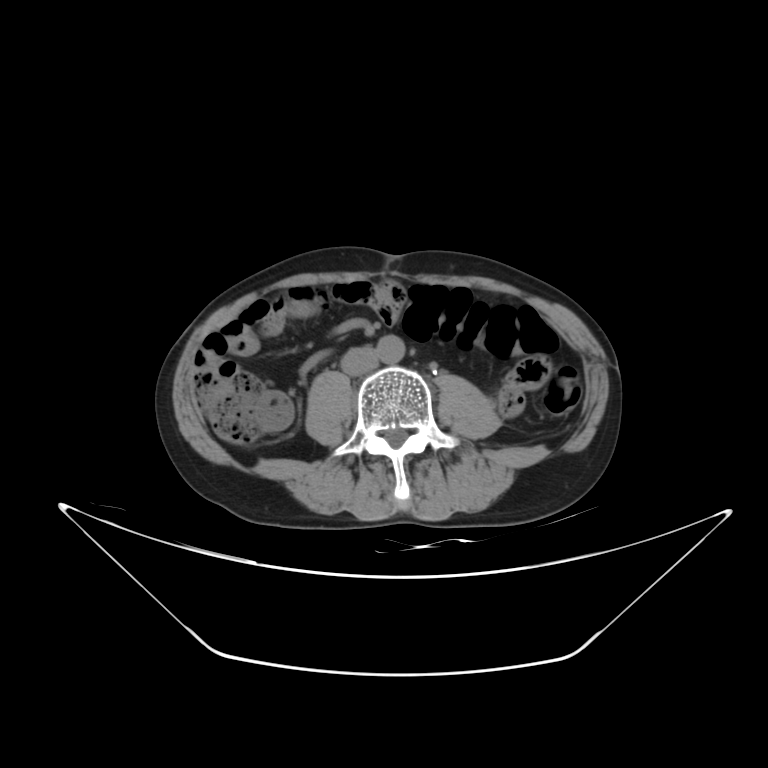

Abdominal CT — axial view — abdomen soft-tissue window
Box edges are left/top/right/bottom in pixels.
left kidney: left=283, top=557, right=286, bottom=557
aorta: left=376, top=334, right=405, bottom=363
inferior vena cava: left=340, top=346, right=379, bottom=376